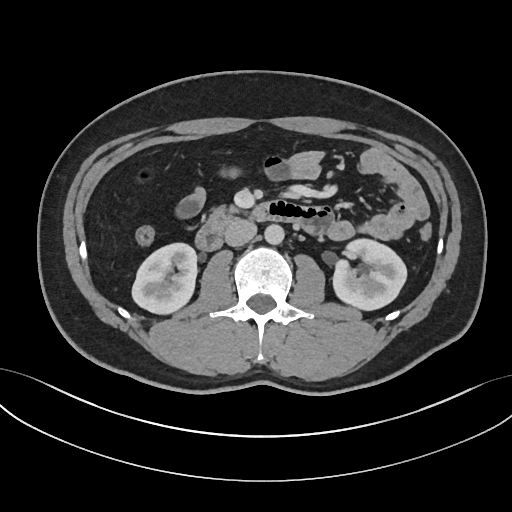
CT abdomen — axial view — SOMATOM Force scanner — scan has 15 labeled organs (a whole-scan count: organs this slice does not pass through have no box)
<organs><organ name="right kidney" x1="132" y1="243" x2="196" y2="314"/><organ name="left kidney" x1="333" y1="239" x2="406" y2="310"/><organ name="aorta" x1="264" y1="224" x2="284" y2="244"/><organ name="inferior vena cava" x1="224" y1="219" x2="256" y2="246"/><organ name="pancreas" x1="213" y1="204" x2="238" y2="213"/><organ name="duodenum" x1="195" y1="200" x2="332" y2="250"/></organs>